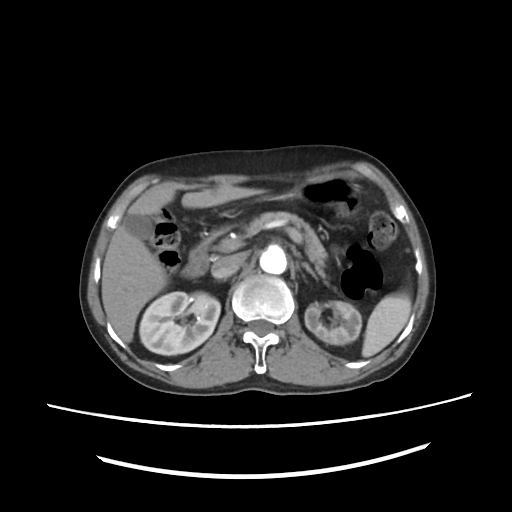
CT, abdomen/pelvis; axial view; abdomen soft-tissue window; 512x512 px; 67-year-old male patient
Boxes: x1:y1:x2:y2 in pixels.
Organ bounding boxes:
- spleen: 362:294:411:356
- aorta: 260:246:286:274
- liver: 101:186:263:341
- pancreas: 245:211:328:266
- stomach: 276:177:358:205
- left adrenal gland: 301:261:319:279
- right kidney: 140:292:221:355
- gall bladder: 124:215:152:241
- left kidney: 304:301:361:345
- duodenum: 181:228:226:277
- inferior vena cava: 211:255:240:277